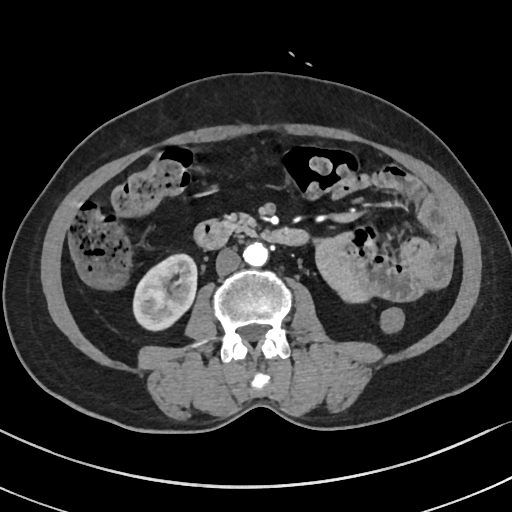
CT, abdomen/pelvis · axial view
<organs><organ name="pancreas" x1="225" y1="215" x2="256" y2="236"/><organ name="right kidney" x1="134" y1="253" x2="197" y2="329"/><organ name="inferior vena cava" x1="215" y1="249" x2="241" y2="275"/><organ name="aorta" x1="243" y1="243" x2="268" y2="266"/><organ name="duodenum" x1="195" y1="219" x2="308" y2="248"/></organs>